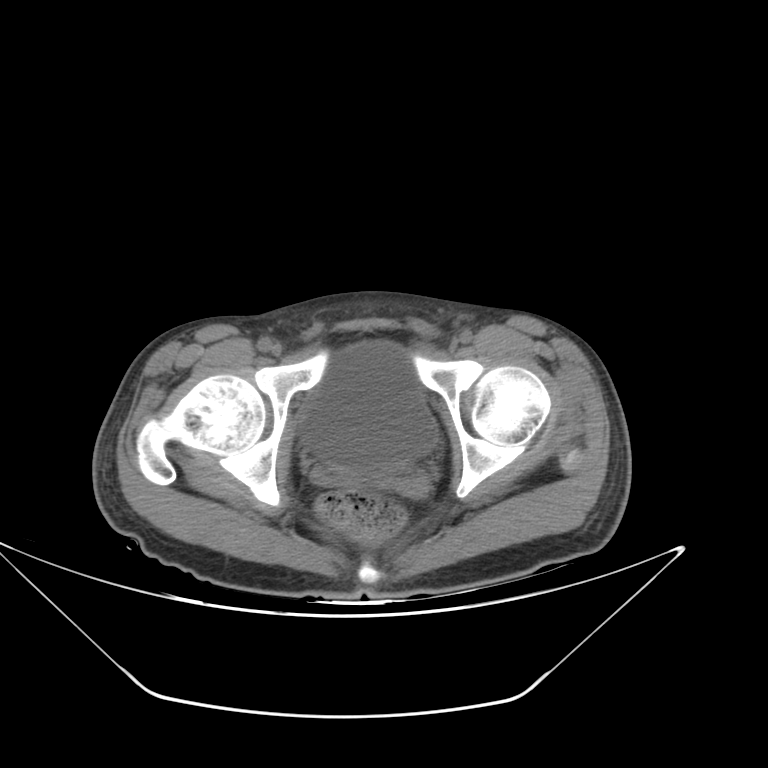
CT abdomen — axial plane, index 16 — abdomen soft-tissue window
One row per box, in pixels: columns x1 and y1 give the top-left corner, x2 and y2 the bottom-right.
| organ | x1 | y1 | x2 | y2 |
|---|---|---|---|---|
| bladder | 300 | 341 | 437 | 476 |